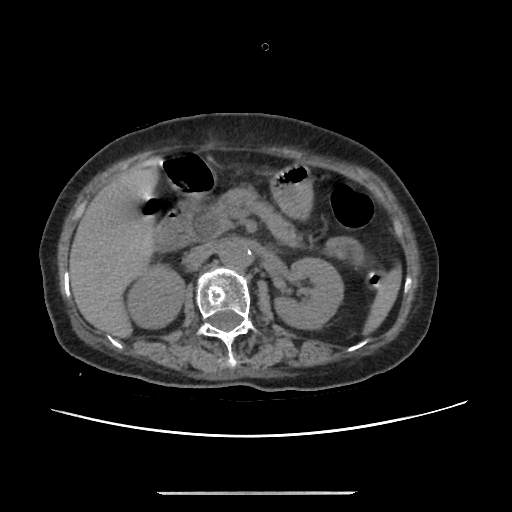

CT, abdomen/pelvis — axial plane, index 237 — 512x512 px
Organ boxes in pixel coordinates; each row gives the top-left (x1, y1) and bottom-right (x2, y2) corners.
| organ | x1 | y1 | x2 | y2 |
|---|---|---|---|---|
| spleen | 363 | 269 | 402 | 336 |
| right kidney | 128 | 266 | 184 | 327 |
| left kidney | 273 | 258 | 343 | 329 |
| liver | 69 | 161 | 160 | 338 |
| stomach | 271 | 165 | 313 | 220 |
| aorta | 219 | 239 | 252 | 270 |
| inferior vena cava | 185 | 243 | 212 | 263 |
| pancreas | 202 | 185 | 302 | 249 |
| duodenum | 156 | 151 | 214 | 251 |